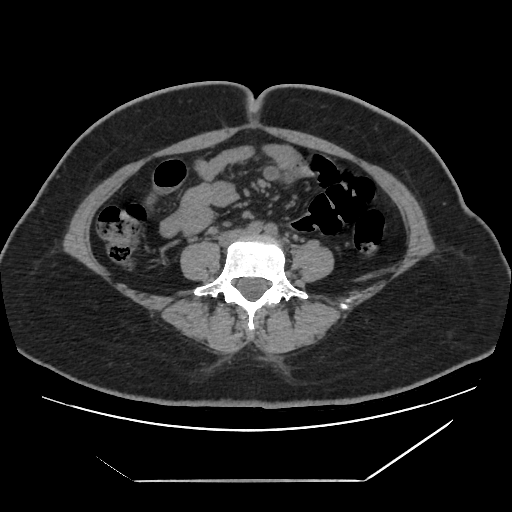
Computed tomography, abdomen. axial plane, index 142. soft-tissue window. 15 organs annotated in this scan (a whole-scan count: organs this slice does not pass through have no box)
Coordinates as <box>x1,y1,x2,y2</box> in pixels. Labeled organs on this slice: inferior vena cava at <box>224,230,242,239</box>.